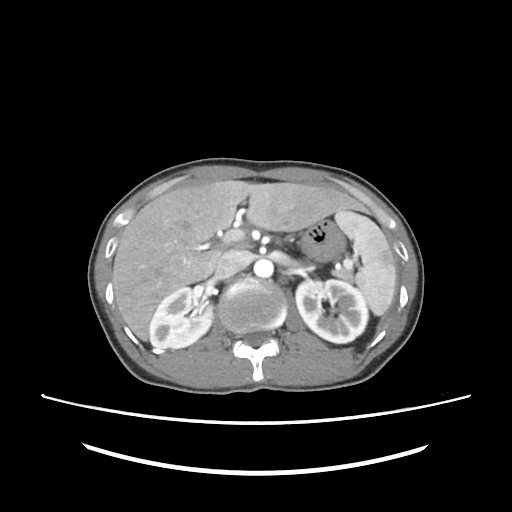
CT abdomen. Axial slice 62/88. abdomen soft-tissue window. Aquilion ONE scanner
<organs><organ name="aorta" x1="254" y1="259" x2="273" y2="277"/><organ name="spleen" x1="335" y1="210" x2="396" y2="315"/><organ name="right kidney" x1="149" y1="287" x2="212" y2="348"/><organ name="left kidney" x1="295" y1="279" x2="368" y2="343"/><organ name="inferior vena cava" x1="215" y1="250" x2="248" y2="278"/><organ name="stomach" x1="300" y1="219" x2="345" y2="261"/><organ name="liver" x1="112" y1="180" x2="371" y2="340"/></organs>